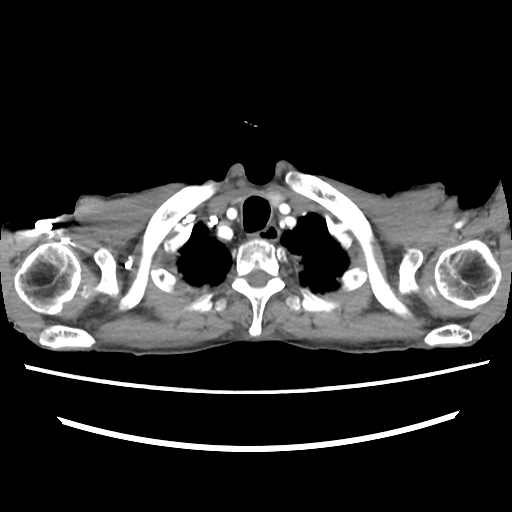 Abdominal CT reaching into the chest; this slice is in the chest. axial view
At this level of the chest no structure but the esophagus and the aorta has a label in this dataset, and those two are boxed only where they are labeled.
One row per box, in pixels: columns x1 and y1 give the top-left corner, x2 and y2 the bottom-right.
| organ | x1 | y1 | x2 | y2 |
|---|---|---|---|---|
| esophagus | 260 | 226 | 278 | 239 |